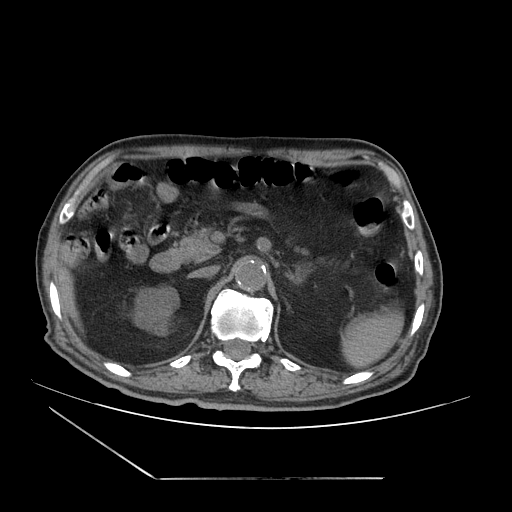
Abdominal CT. axial view. abdomen soft-tissue window
{"organs":{"spleen":[342,310,403,367],"right kidney":[133,286,178,335],"liver":[58,269,78,321],"aorta":[234,258,266,291],"inferior vena cava":[189,265,219,277],"pancreas":[172,227,308,262],"left adrenal gland":[285,267,302,283],"duodenum":[150,250,181,272]}}